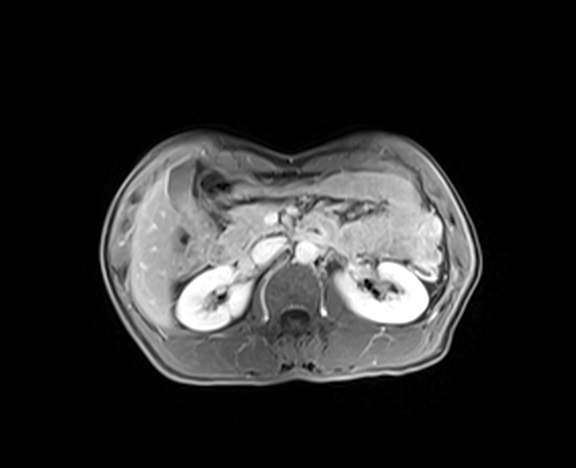
Abdominal MRI · axial view
{"organs":{"right kidney":[176,265,250,331],"left kidney":[336,262,428,323],"gall bladder":[168,162,193,206],"liver":[128,173,180,327],"stomach":[254,181,289,191],"aorta":[295,241,317,264],"inferior vena cava":[250,237,286,263],"pancreas":[224,203,276,257],"duodenum":[198,168,256,262]}}